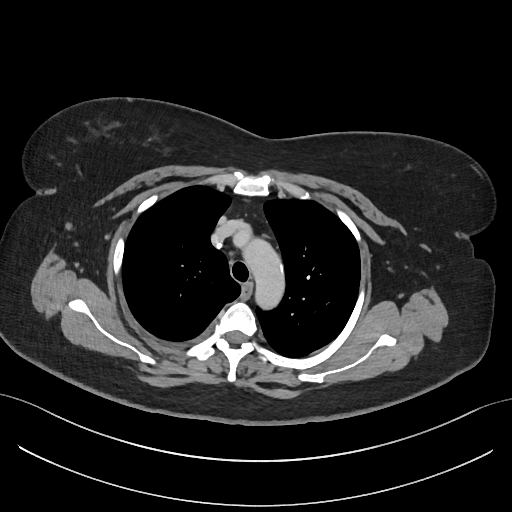
Abdominal CT reaching into the chest; this slice is in the chest — Axial slice 268/305 — soft-tissue window (W 400 / L 40) — 512x512 px — scan has 15 labeled organs (a whole-scan count: organs this slice does not pass through have no box)
At this level of the chest no structure but the esophagus and the aorta has a label in this dataset, and those two are boxed only where they are labeled.
Bounding boxes as [x1, y1, x2, y2] in pixel coordinates.
Organ bounding boxes:
- esophagus: [242, 284, 251, 296]
- aorta: [245, 240, 283, 305]